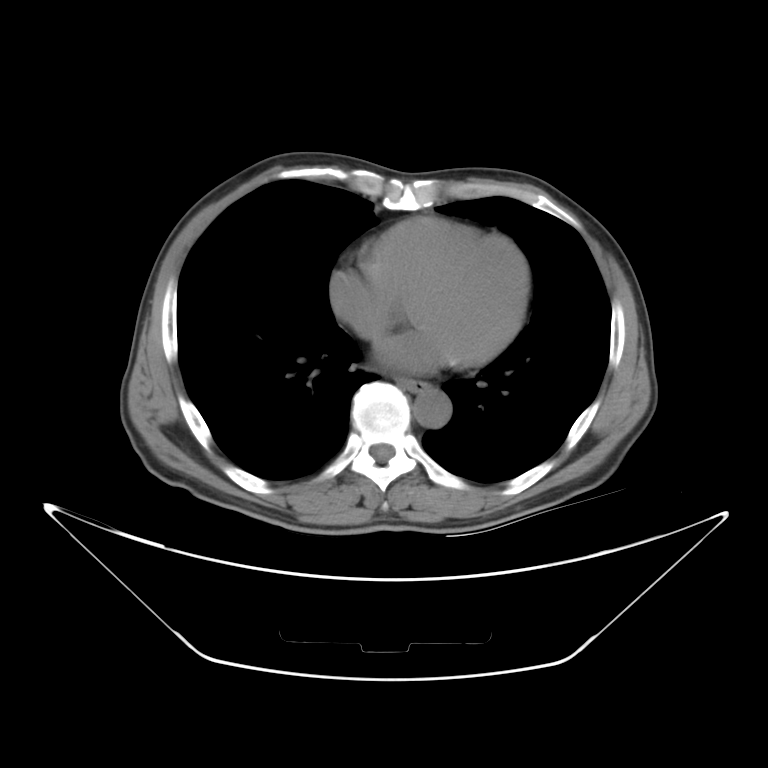
CT of the abdomen reaching into the lower chest, slice just above the liver and spleen; axial plane, index 86; soft-tissue window; 768x768 px; 59-year-old male patient
No part of the heart or lungs is labeled in this dataset, so neither has a box here.
<organs><organ name="esophagus" x1="400" y1="377" x2="427" y2="391"/><organ name="aorta" x1="416" y1="389" x2="449" y2="427"/></organs>